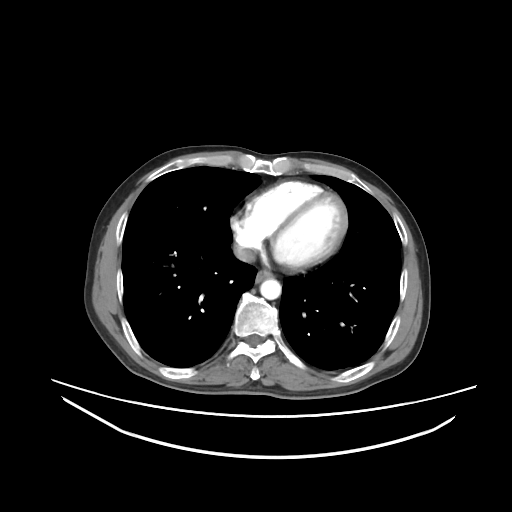
Lower-chest slice from an abdominal CT, just above the liver and spleen · axial plane, index 93 · soft-tissue window (W 400 / L 40) · 52-year-old male patient · Aquilion ONE scanner
The heart and lungs are never labeled in this dataset, so they have no box on this slice. Boxes are (x1, y1, x2, y2) in pixels. 3 labeled organs on this slice — esophagus at (255, 269, 273, 282); aorta at (260, 278, 281, 299); inferior vena cava at (233, 244, 255, 262).